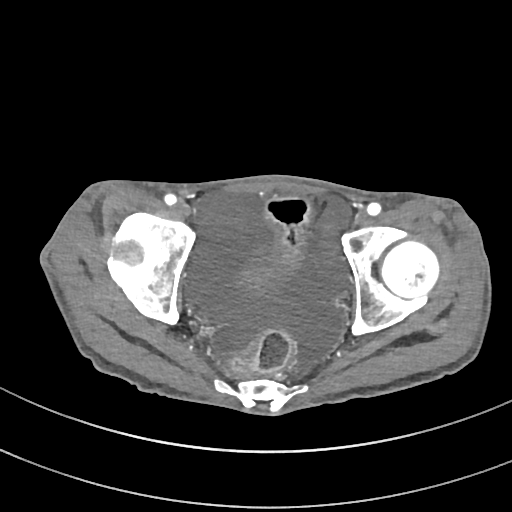

Computed tomography, abdomen — axial view
Bounding boxes in pixels, one row per box: x1, y1 is the top-left corner and x2, y2 the bottom-right.
| organ | x1 | y1 | x2 | y2 |
|---|---|---|---|---|
| bladder | 243 | 243 | 279 | 291 |